CT abdomen · Axial slice 31/192
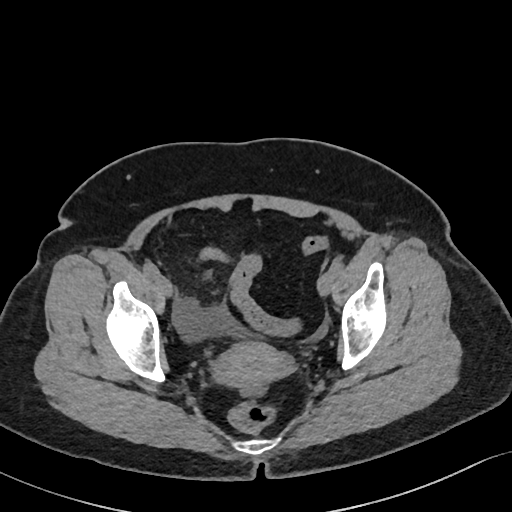

<organs><organ name="prostate/uterus" x1="215" y1="341" x2="288" y2="388"/></organs>